CT, abdomen/pelvis · axial view · abdomen soft-tissue window · 512x512 px · 15 organs annotated in this scan (a whole-scan count: organs this slice does not pass through have no box)
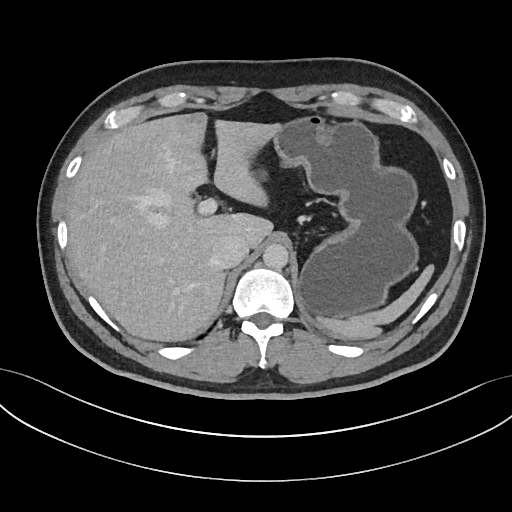

<organs><organ name="spleen" x1="316" y1="265" x2="434" y2="338"/><organ name="liver" x1="66" y1="113" x2="281" y2="340"/><organ name="stomach" x1="255" y1="116" x2="418" y2="318"/><organ name="aorta" x1="263" y1="243" x2="288" y2="269"/><organ name="inferior vena cava" x1="213" y1="235" x2="248" y2="268"/></organs>